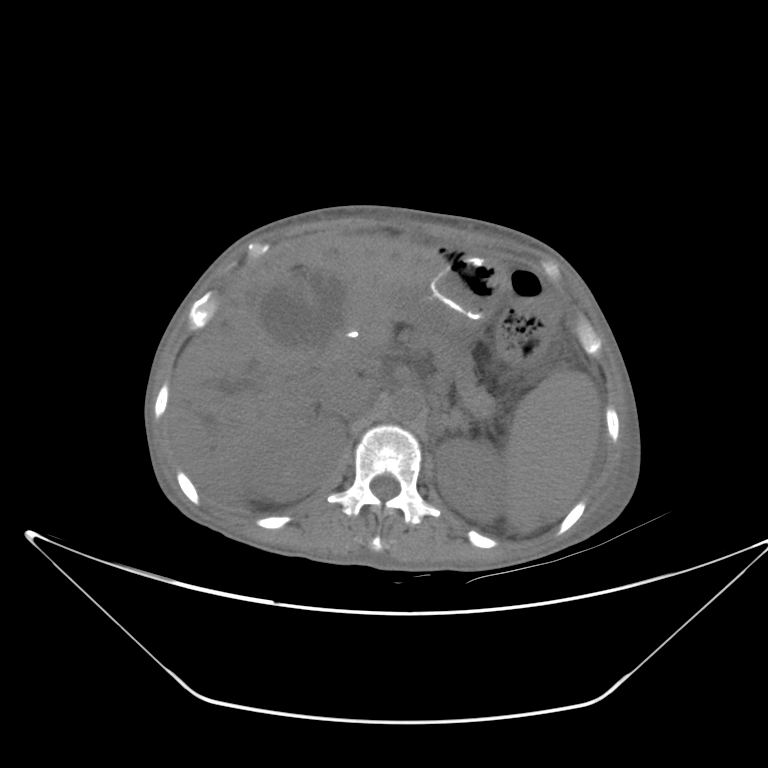
Computed tomography, abdomen · axial plane, index 73 · 768x768 px · 56-year-old female patient
Boxes: x1 y1 x2 y2 (pixel coords, space-separated). Labeled organs on this slice: spleen at 505 368 601 532, right kidney at 249 416 345 501, left kidney at 435 439 508 522, gall bladder at 260 289 323 346, liver at 167 233 444 500, stomach at 415 275 488 331, aorta at 391 389 425 423, inferior vena cava at 326 375 374 417, pancreas at 422 331 495 416, left adrenal gland at 448 409 469 434.